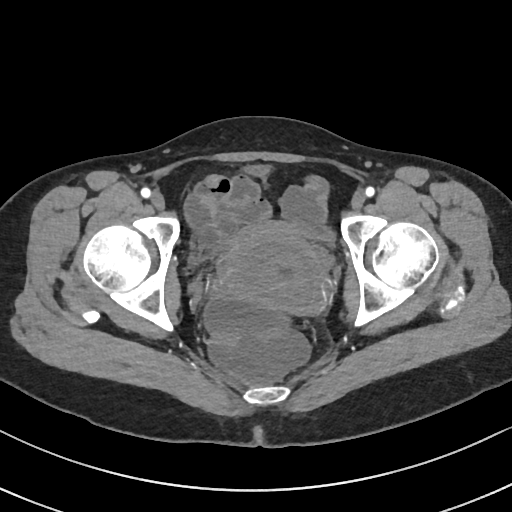
Abdominal CT; axial view; abdomen soft-tissue window; 512x512 px; SOMATOM Force scanner
One row per box, in pixels: columns x1 and y1 give the top-left corner, x2 and y2 the bottom-right.
| organ | x1 | y1 | x2 | y2 |
|---|---|---|---|---|
| prostate/uterus | 213 | 221 | 331 | 310 |
| bladder | 326 | 235 | 328 | 237 |